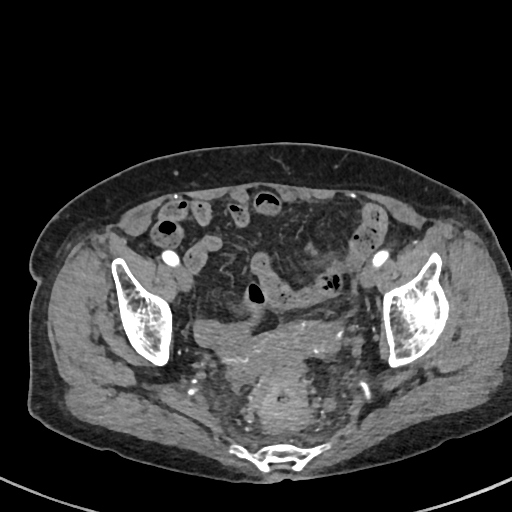 CT abdomen; axial plane, index 46; 512x512 px
Each box given as x1,y1,x2,y2. 1 labeled organ on this slice — prostate/uterus at x1=271, y1=321, x2=343, y2=356.